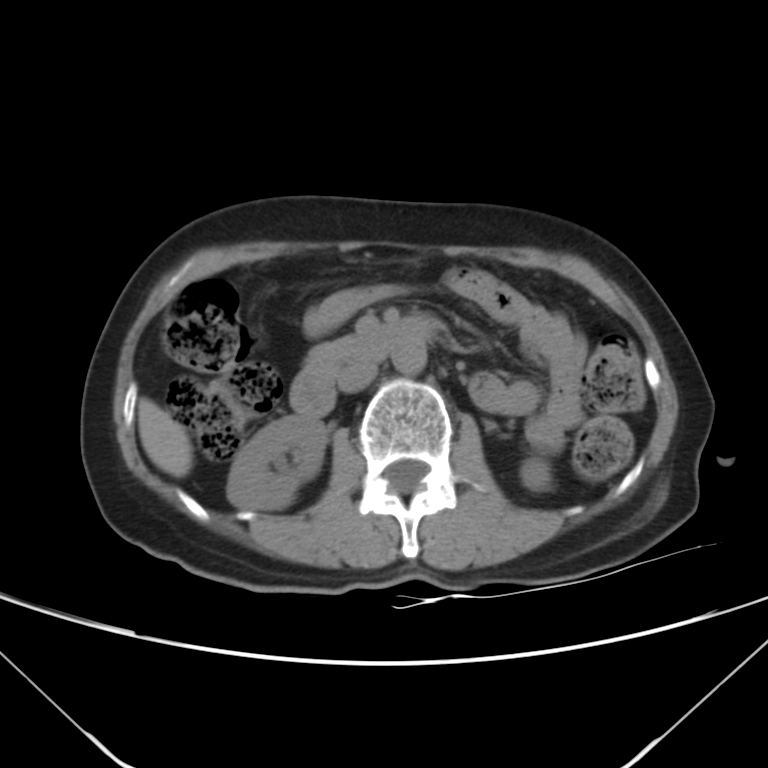 Computed tomography, abdomen; axial view; soft-tissue window
Boxes: x1 y1 x2 y2 (pixel coords, space-separated).
Organ bounding boxes:
- right kidney: 227 415 327 509
- left kidney: 520 457 551 491
- liver: 138 398 193 477
- aorta: 391 340 427 374
- inferior vena cava: 339 361 378 392
- pancreas: 307 337 355 371
- duodenum: 290 316 434 414